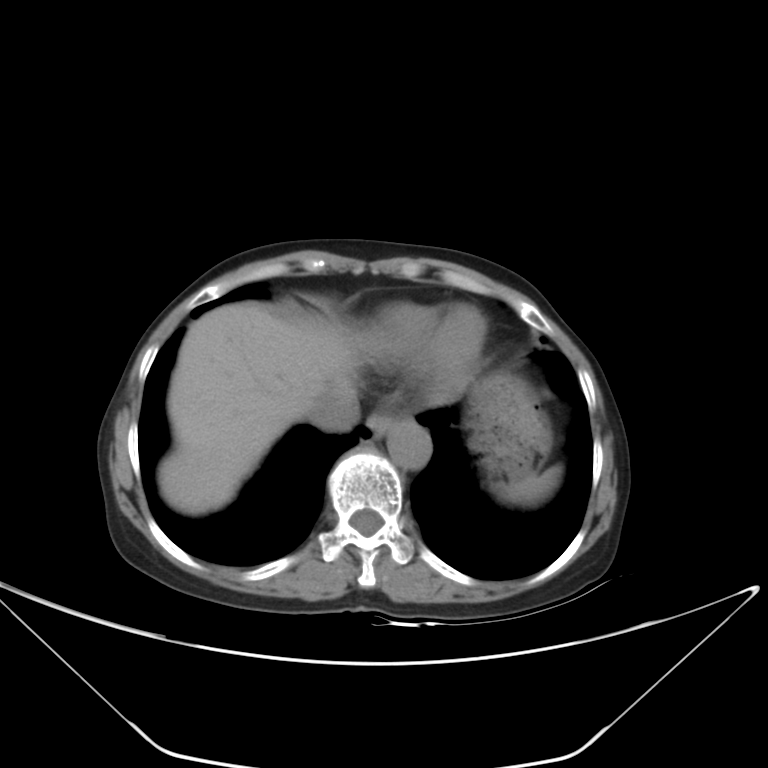 CT abdomen; Axial slice 75/85; acquired on Brilliance16
Bounding boxes in pixels, one row per box: x1, y1 is the top-left corner and x2, y2 the bottom-right.
| organ | x1 | y1 | x2 | y2 |
|---|---|---|---|---|
| spleen | 500 | 466 | 554 | 501 |
| esophagus | 366 | 412 | 394 | 438 |
| liver | 157 | 302 | 360 | 515 |
| stomach | 472 | 373 | 548 | 481 |
| aorta | 386 | 420 | 432 | 468 |
| inferior vena cava | 306 | 391 | 359 | 430 |